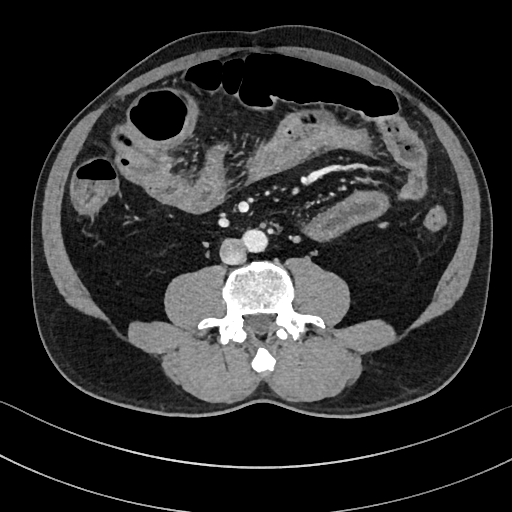

Computed tomography, abdomen. Axial slice 109/232. 512x512 px
Organ boxes in pixel coordinates; each row gives the top-left (x1, y1) and bottom-right (x2, y2) corners.
| organ | x1 | y1 | x2 | y2 |
|---|---|---|---|---|
| aorta | 242 | 229 | 267 | 252 |
| inferior vena cava | 220 | 238 | 245 | 264 |